Abdominal CT — axial view
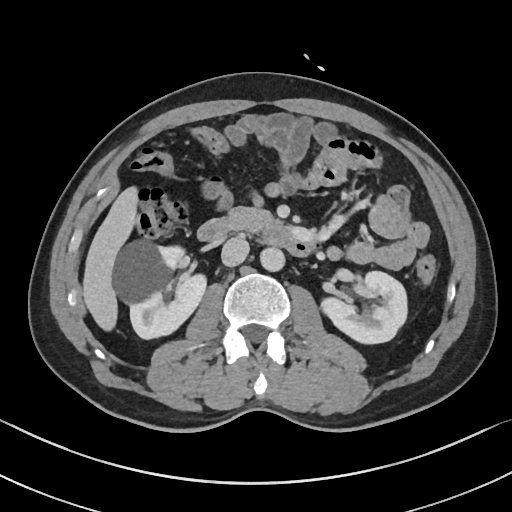

<organs><organ name="left kidney" x1="321" y1="271" x2="407" y2="343"/><organ name="inferior vena cava" x1="221" y1="237" x2="249" y2="266"/><organ name="liver" x1="82" y1="187" x2="138" y2="330"/><organ name="right kidney" x1="114" y1="240" x2="206" y2="338"/><organ name="duodenum" x1="197" y1="218" x2="314" y2="256"/><organ name="aorta" x1="259" y1="247" x2="285" y2="271"/><organ name="pancreas" x1="227" y1="207" x2="273" y2="232"/></organs>